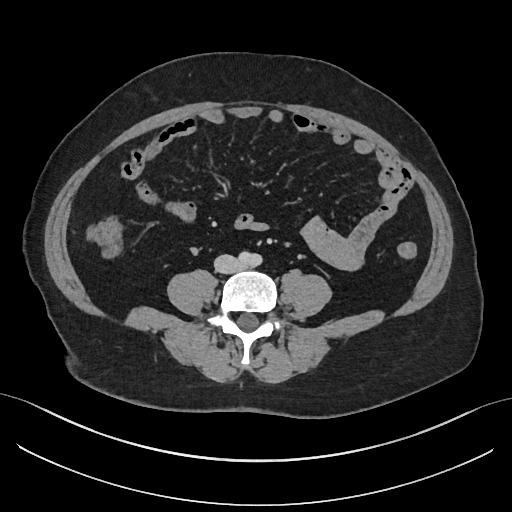

CT, abdomen/pelvis. Axial slice 105/305. scan has 15 labeled organs (that count is for the whole scan; organs this slice misses have no box)
<organs><organ name="inferior vena cava" x1="214" y1="255" x2="241" y2="272"/></organs>